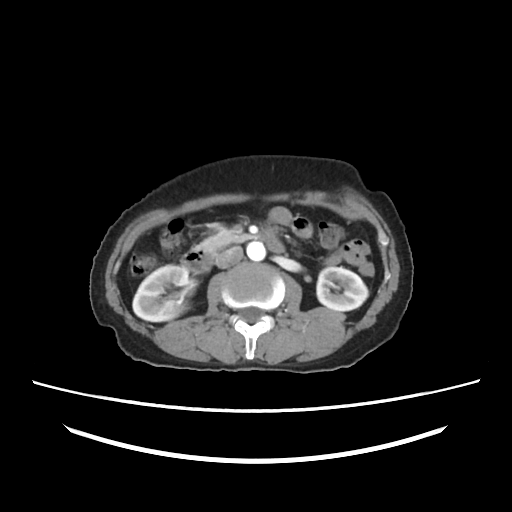
CT, abdomen/pelvis · axial view · abdomen soft-tissue window · Aquilion ONE scanner
Boxes are (x1, y1, x2, y2) in pixels.
right kidney: (132, 264, 189, 321)
left kidney: (316, 267, 368, 311)
aorta: (246, 242, 265, 261)
inferior vena cava: (215, 246, 243, 268)
pancreas: (197, 229, 251, 253)
duodenum: (181, 237, 284, 272)